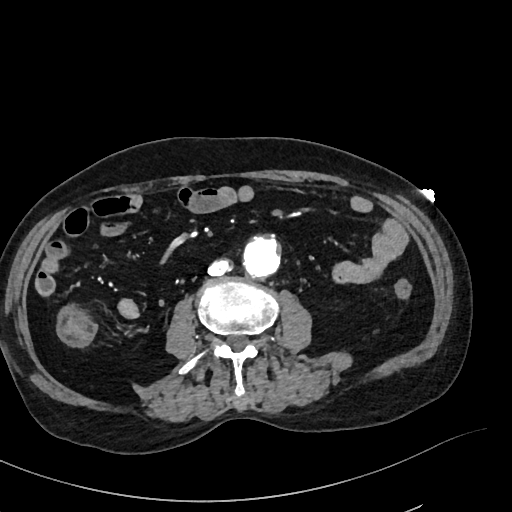

CT, abdomen/pelvis; axial view; abdomen soft-tissue window; 512x512 px
One row per box, in pixels: columns x1 and y1 give the top-left corner, x2 and y2 the bottom-right.
| organ | x1 | y1 | x2 | y2 |
|---|---|---|---|---|
| aorta | 242 | 236 | 280 | 277 |
| inferior vena cava | 207 | 260 | 231 | 276 |